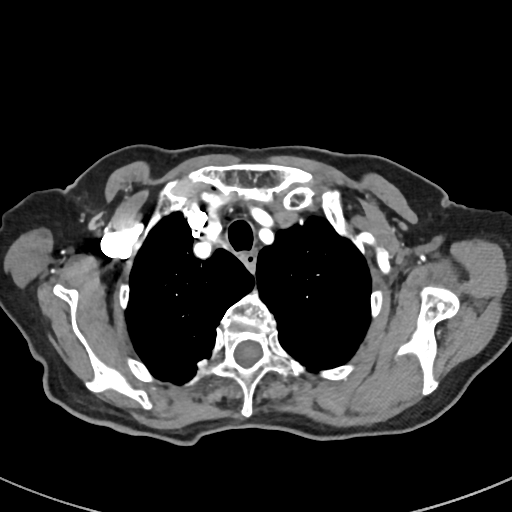 CT of the abdomen extending into the chest, slice through the chest. axial view. 512x512 px. 15 organs annotated in this scan (a whole-scan count: organs this slice does not pass through have no box)
At this level of the chest no structure but the esophagus and the aorta has a label in this dataset, and those two are boxed only where they are labeled.
Bounding boxes as [x1, y1, x2, y2] in pixel coordinates.
esophagus: [241, 250, 256, 271]